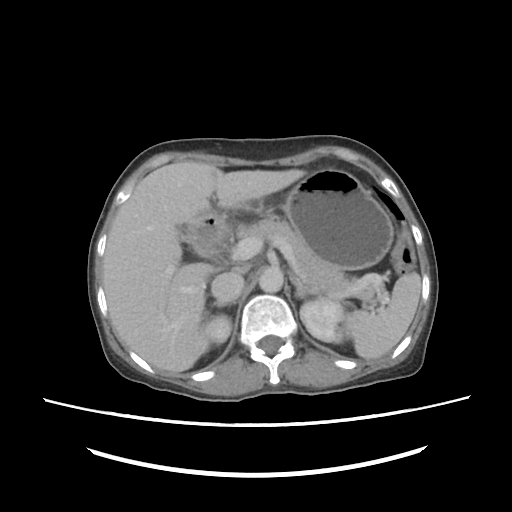 CT abdomen. Axial slice 75/92. W/L 400/40 HU. 512x512 px. acquired on Aquilion ONE
Bounding boxes in pixels, one row per box: x1, y1 is the top-left corner and x2, y2 the bottom-right.
| organ | x1 | y1 | x2 | y2 |
|---|---|---|---|---|
| liver | 103 | 161 | 304 | 373 |
| duodenum | 186 | 211 | 228 | 255 |
| pancreas | 244 | 221 | 357 | 291 |
| left kidney | 301 | 297 | 346 | 343 |
| inferior vena cava | 211 | 271 | 244 | 300 |
| right adrenal gland | 212 | 300 | 235 | 307 |
| aorta | 257 | 267 | 282 | 293 |
| right kidney | 197 | 314 | 231 | 352 |
| stomach | 255 | 167 | 395 | 270 |
| left adrenal gland | 291 | 273 | 319 | 298 |
| spleen | 343 | 273 | 422 | 360 |